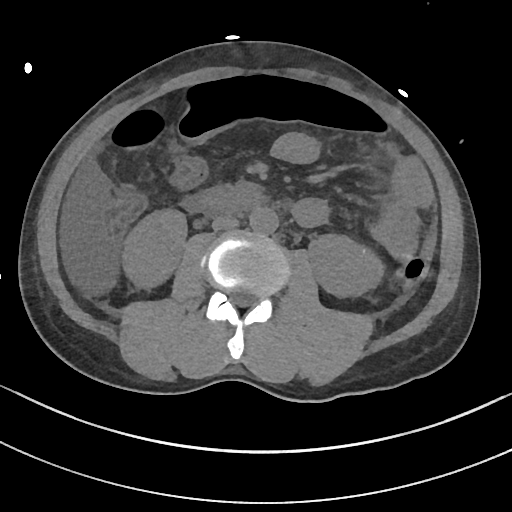

Abdominal CT — axial plane, index 139 — W/L 400/40 HU — SOMATOM Force scanner
<organs><organ name="right kidney" x1="124" y1="210" x2="185" y2="286"/><organ name="left kidney" x1="309" y1="231" x2="384" y2="294"/><organ name="aorta" x1="249" y1="206" x2="278" y2="233"/><organ name="inferior vena cava" x1="212" y1="215" x2="238" y2="230"/><organ name="duodenum" x1="191" y1="181" x2="262" y2="215"/></organs>